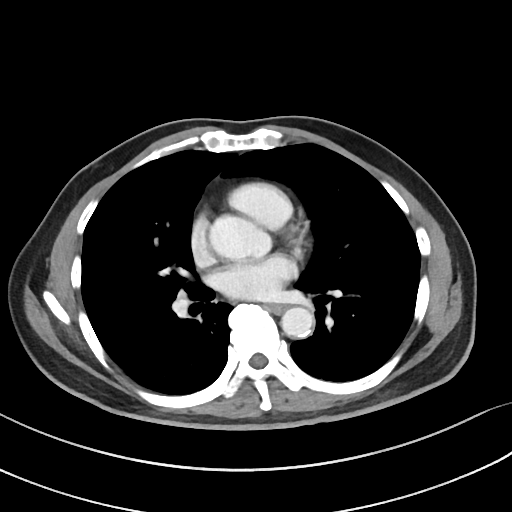
Chest-level CT slice, above the liver and spleen; axial view; soft-tissue window, W/L 400/40
At this level of the chest no structure but the esophagus and the aorta has a label in this dataset, and those two are boxed only where they are labeled. Bounding boxes as [x1, y1, x2, y2] in pixel coordinates. Labeled organs on this slice: esophagus at [268, 304, 284, 313], aorta at [281, 307, 313, 337].